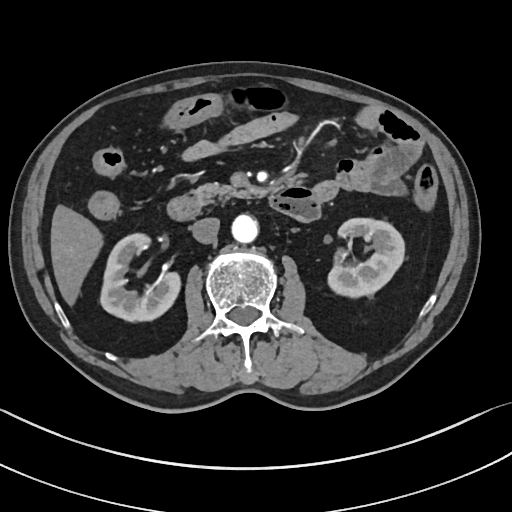 CT abdomen. Axial slice 138/306
Box edges are left/top/right/bottom in pixels. 7 labeled organs on this slice — liver at left=51, top=206, right=100, bottom=302; left kidney at left=328, top=217, right=404, bottom=297; duodenum at left=167, top=185, right=320, bottom=220; pancreas at left=194, top=182, right=261, bottom=204; aorta at left=231, top=213, right=258, bottom=241; inferior vena cava at left=192, top=217, right=220, bottom=243; right kidney at left=99, top=231, right=178, bottom=320.